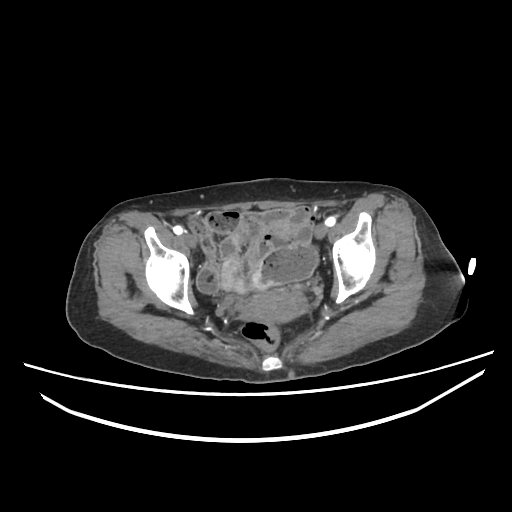

CT, abdomen/pelvis. axial view. soft-tissue window (W 400 / L 40). 63-year-old female patient. Aquilion ONE scanner. 14 organs annotated in this scan (counted over the whole 3D scan, not this slice; an organ is boxed only where this slice passes through it)
Coordinates as <box>x1,y1,x2,y2</box> in pixels.
Organ bounding boxes:
- prostate/uterus: <box>240,287,306,325</box>